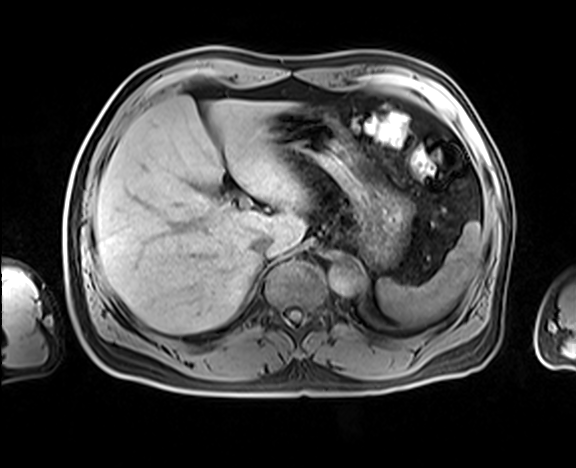

Abdominal MRI. axial view. percentile-normalized. acquired on Prisma. 13 organs annotated in this scan (that count is for the whole scan; organs this slice misses have no box)
Box edges are left/top/right/bottom in pixels.
liver: left=94, top=96, right=307, bottom=334
spleen: left=377, top=221, right=483, bottom=326
aorta: left=329, top=262, right=361, bottom=295
stomach: left=269, top=105, right=410, bottom=265
inferior vena cava: left=251, top=234, right=272, bottom=255